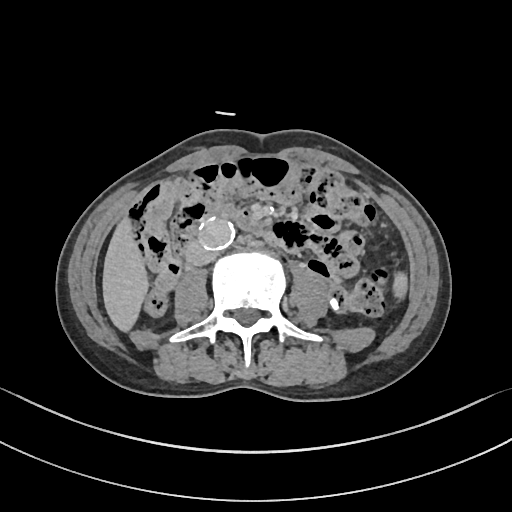 Abdominal CT — axial view — soft-tissue window (W 400 / L 40) — acquired on SOMATOM Force
<organs><organ name="duodenum" x1="204" y1="204" x2="265" y2="235"/><organ name="liver" x1="102" y1="218" x2="148" y2="331"/><organ name="aorta" x1="198" y1="220" x2="234" y2="247"/><organ name="spleen" x1="393" y1="272" x2="407" y2="298"/><organ name="inferior vena cava" x1="186" y1="243" x2="214" y2="265"/></organs>